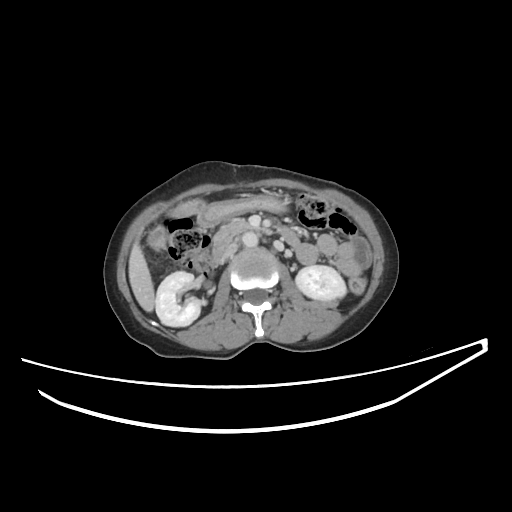 CT abdomen. axial plane, index 54. 15 organs annotated in this scan (a whole-scan count: organs this slice does not pass through have no box)
Boxes: x1:y1:x2:y2 in pixels. The annotated organs in this slice are: right kidney at 155:271:200:326, left kidney at 295:265:346:300, gall bladder at 148:228:166:247, liver at 128:199:204:311, stomach at 199:196:287:226, aorta at 242:232:258:247, inferior vena cava at 221:242:237:262, pancreas at 214:218:251:241, duodenum at 211:228:301:267.